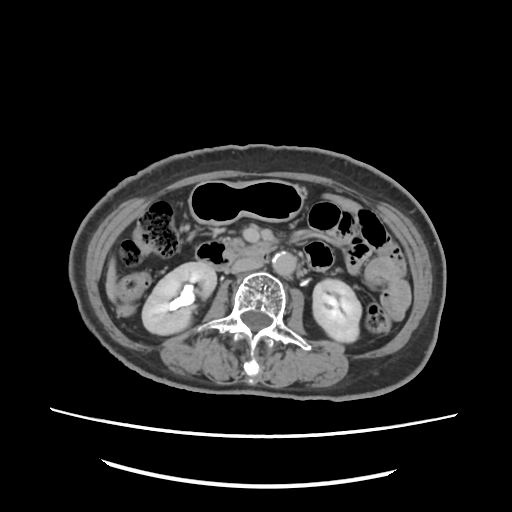

CT, abdomen/pelvis — axial view — 76-year-old female patient — scan has 15 labeled organs (that count is for the whole scan; organs this slice misses have no box)
{"organs":{"inferior vena cava":[228,259,261,275],"stomach":[190,180,304,223],"duodenum":[195,240,270,269],"right kidney":[141,263,215,335],"liver":[105,257,117,300],"left kidney":[312,278,361,341],"aorta":[272,252,296,276],"pancreas":[225,238,279,259]}}